CT abdomen. axial view. abdomen soft-tissue window. 34-year-old female patient. acquired on Aquilion ONE
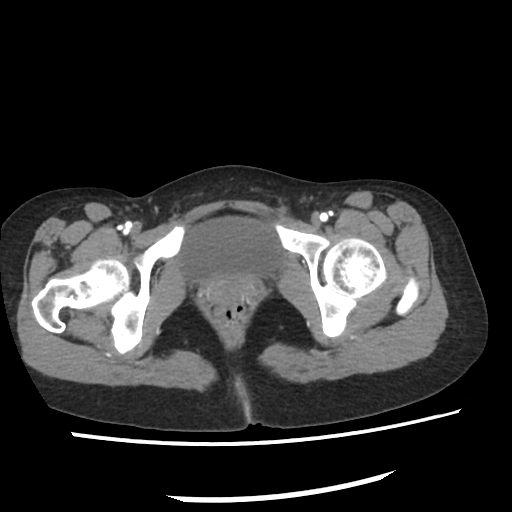
One row per box, in pixels: columns x1 and y1 give the top-left corner, x2 and y2 the bottom-right.
| organ | x1 | y1 | x2 | y2 |
|---|---|---|---|---|
| bladder | 179 | 218 | 277 | 279 |